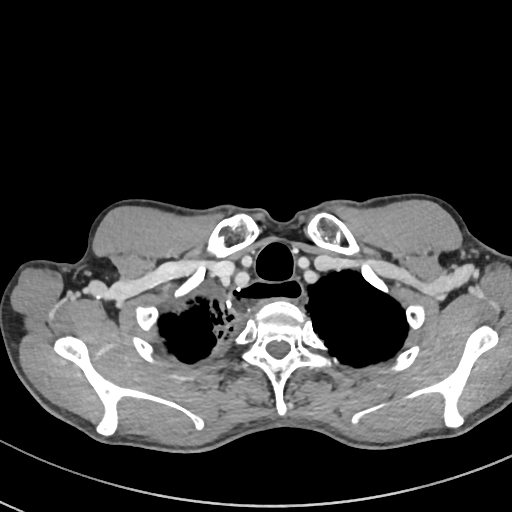

CT of the abdomen extending into the chest, slice through the chest — axial view — 512x512 px
At this level of the chest this dataset labels only the esophagus and the aorta, and each is boxed only where it is labeled; the heart and lungs are never labeled.
Boxes are (x1, y1, x2, y2) in pixels.
Organ bounding boxes:
- esophagus: (228, 278, 304, 320)